Abdominal CT · axial view · 61-year-old male patient · Aquilion ONE scanner
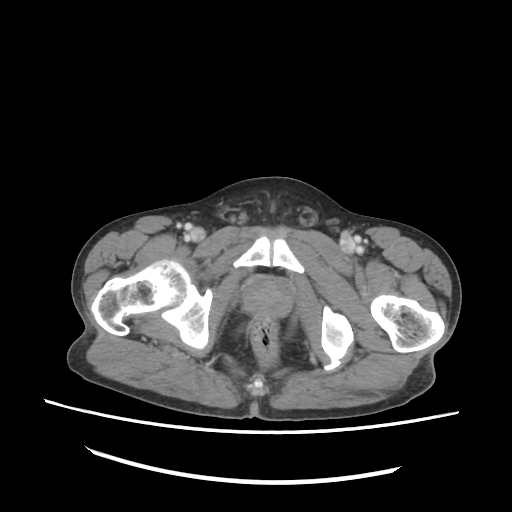
Boxes: x1 y1 x2 y2 (pixel coords, space-separated).
Organ bounding boxes:
- prostate/uterus: 244 278 291 317